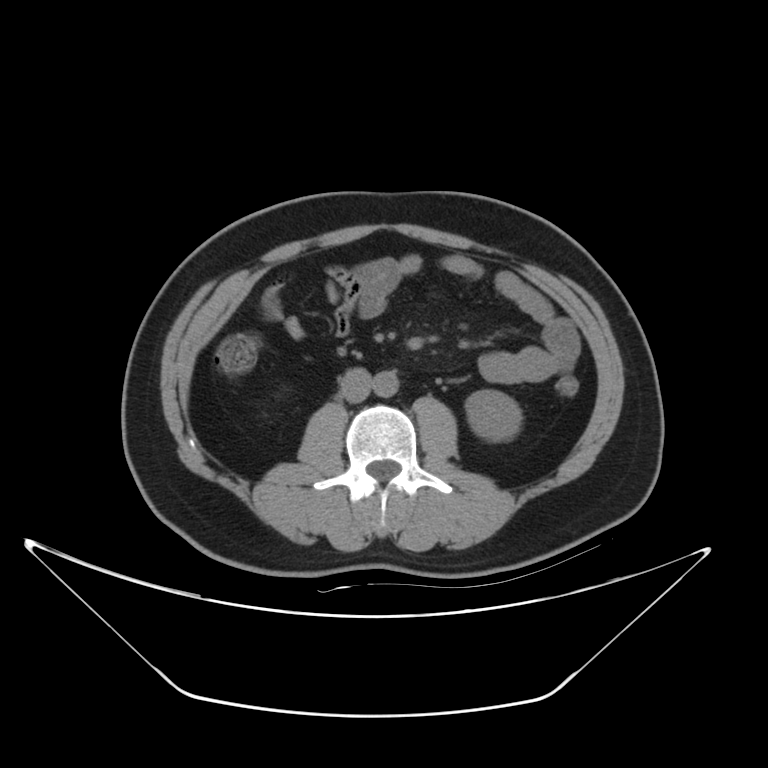 Abdominal CT. axial view. 15 organs annotated in this scan (counted over the whole 3D scan, not this slice; an organ is boxed only where this slice passes through it)
Organ boxes in pixel coordinates; each row gives the top-left (x1, y1) and bottom-right (x2, y2) corners.
| organ | x1 | y1 | x2 | y2 |
|---|---|---|---|---|
| inferior vena cava | 339 | 367 | 371 | 402 |
| left kidney | 465 | 389 | 521 | 441 |
| aorta | 372 | 371 | 398 | 397 |